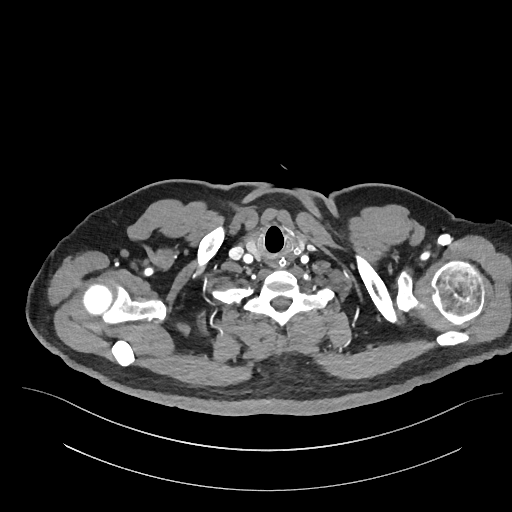 CT of the abdomen extending into the chest, slice through the chest. axial view. soft-tissue window
On a slice this high in the chest, this dataset labels only the esophagus and the aorta, and each is boxed only where it is labeled; the heart, lungs and other chest structures are not labeled. Box edges are left/top/right/bottom in pixels. Labeled organs on this slice: esophagus at left=270, top=256, right=287, bottom=267.